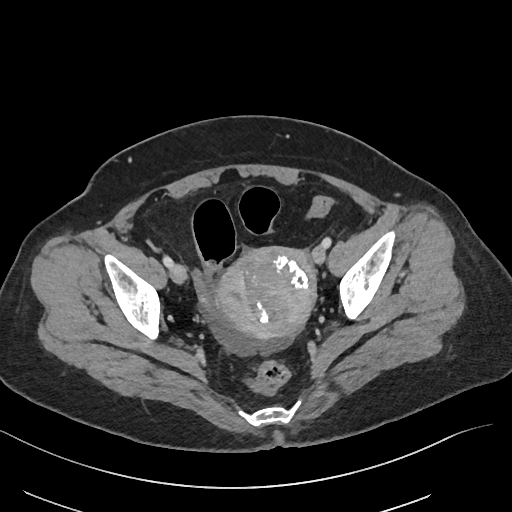
Computed tomography, abdomen — axial view — abdomen soft-tissue window
Boxes are (x1, y1, x2, y2) in pixels.
Organ bounding boxes:
- prostate/uterus: (216, 247, 315, 337)